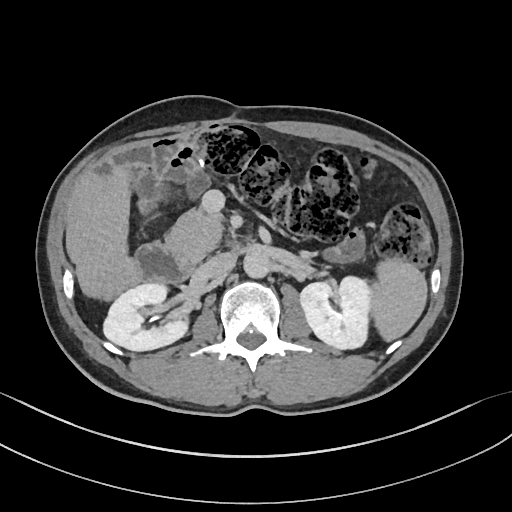

CT, abdomen/pelvis — axial view — 512x512 px — acquired on SOMATOM Force
Coordinates as <box>x1,y1,x2,y2</box> in pixels. 8 labeled organs on this slice — spleen at <box>370,260,428,341</box>; right kidney at <box>103,283,188,350</box>; left kidney at <box>299,276,370,349</box>; liver at <box>97,168,130,254</box>; aorta at <box>243,251,272,278</box>; inferior vena cava at <box>202,252,236,279</box>; pancreas at <box>164,210,224,257</box>; duodenum at <box>134,236,251,283</box>.